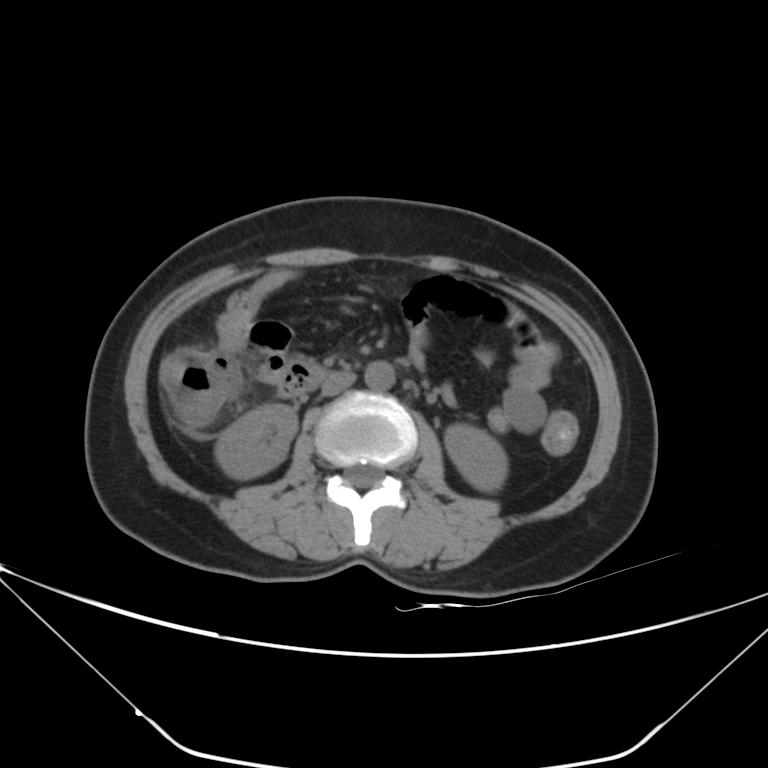
Computed tomography, abdomen. Axial slice 49/90
Coordinates as <box>x1,y1,x2,y2</box> in pixels.
left kidney: <box>444,423,507,492</box>
right kidney: <box>216,403,296,479</box>
inferior vena cava: <box>321,371,355,396</box>
aorta: <box>365,360,394,391</box>